Computed tomography, abdomen; axial view; Aquilion ONE scanner
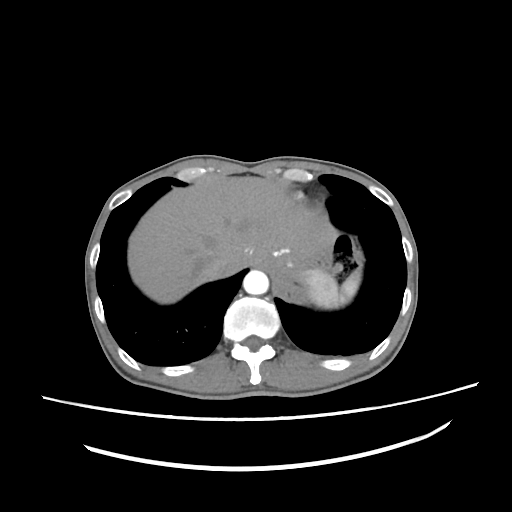

Coordinates as <box>x1,y1,x2,y2</box> in pixels.
spleen: <box>305,268,360,308</box>
inferior vena cava: <box>201,256,226,279</box>
liver: <box>128,175,336,303</box>
aorta: <box>243,270,268,295</box>